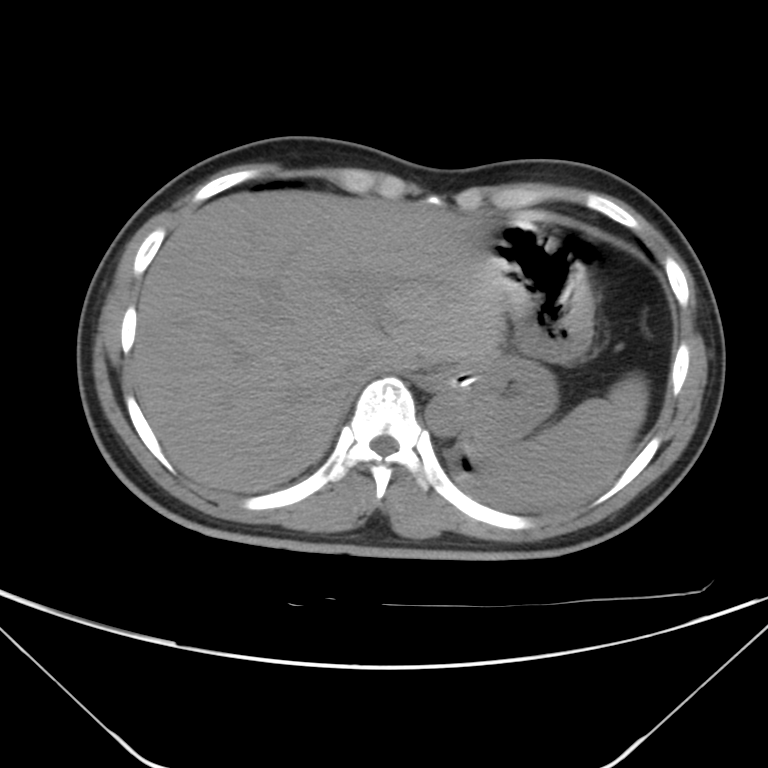 CT abdomen — axial view — 24-year-old male patient
<organs><organ name="stomach" x1="431" y1="225" x2="593" y2="445"/><organ name="spleen" x1="472" y1="374" x2="648" y2="508"/><organ name="inferior vena cava" x1="342" y1="360" x2="380" y2="388"/><organ name="liver" x1="132" y1="190" x2="516" y2="492"/><organ name="aorta" x1="425" y1="392" x2="466" y2="437"/></organs>